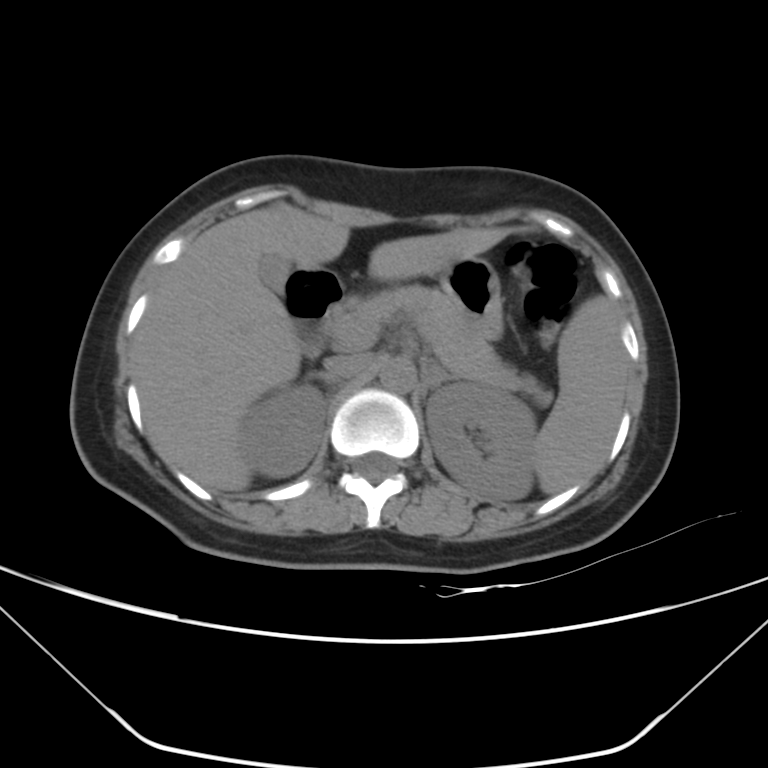 CT abdomen. axial plane, index 63. W/L 400/40 HU
<organs><organ name="spleen" x1="535" y1="296" x2="628" y2="495"/><organ name="right kidney" x1="240" y1="384" x2="325" y2="476"/><organ name="left kidney" x1="426" y1="384" x2="535" y2="501"/><organ name="gall bladder" x1="259" y1="254" x2="290" y2="293"/><organ name="liver" x1="134" y1="206" x2="501" y2="490"/><organ name="stomach" x1="440" y1="257" x2="501" y2="339"/><organ name="aorta" x1="379" y1="359" x2="415" y2="391"/><organ name="inferior vena cava" x1="323" y1="354" x2="371" y2="380"/><organ name="pancreas" x1="350" y1="286" x2="550" y2="405"/><organ name="right adrenal gland" x1="311" y1="372" x2="337" y2="383"/><organ name="left adrenal gland" x1="425" y1="364" x2="454" y2="390"/><organ name="duodenum" x1="288" y1="274" x2="344" y2="354"/></organs>